Computed tomography, abdomen · axial view · soft-tissue window (W 400 / L 40) · 768x768 px · 59-year-old male patient
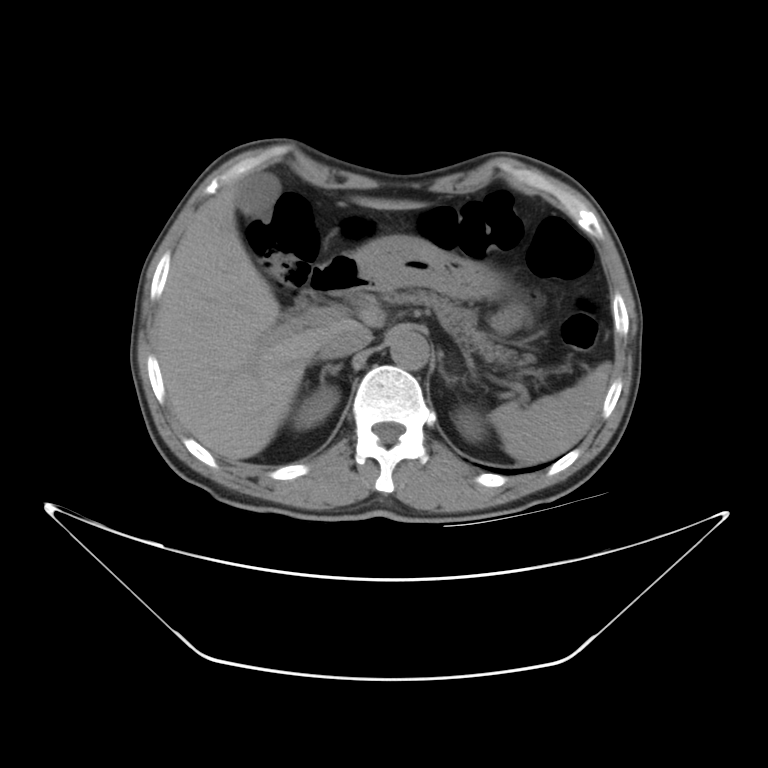 {"organs":{"spleen":[487,360,611,460],"right kidney":[292,390,338,431],"left kidney":[453,407,486,440],"gall bladder":[236,172,280,214],"liver":[157,173,424,460],"stomach":[351,239,502,298],"aorta":[388,328,429,369],"inferior vena cava":[319,326,372,359],"pancreas":[375,291,540,368],"right adrenal gland":[318,363,343,388],"left adrenal gland":[437,354,453,388],"duodenum":[306,251,363,298]}}